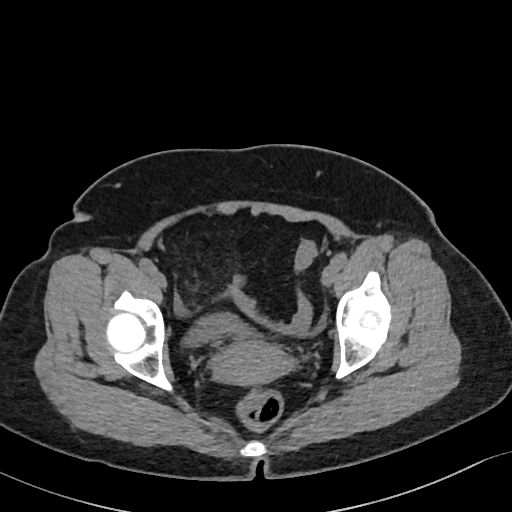
CT, abdomen/pelvis; Axial slice 27/192; abdomen soft-tissue window
Each box given as x1,y1,x2,y2. Labeled organs on this slice: bladder at x1=185, y1=313, x2=246, y2=346, prostate/uterus at x1=211, y1=339, x2=291, y2=385.